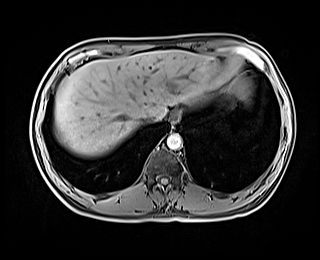 MRI, abdomen — axial plane, index 61 — percentile-normalized — 13 organs annotated in this scan (counted over the whole 3D scan, not this slice; an organ is boxed only where this slice passes through it)
Bounding boxes as [x1, y1, x2, y2] in pixel coordinates.
Organ bounding boxes:
- esophagus: [170, 111, 180, 123]
- liver: [54, 50, 233, 155]
- aorta: [167, 133, 181, 149]
- inferior vena cava: [140, 114, 156, 123]